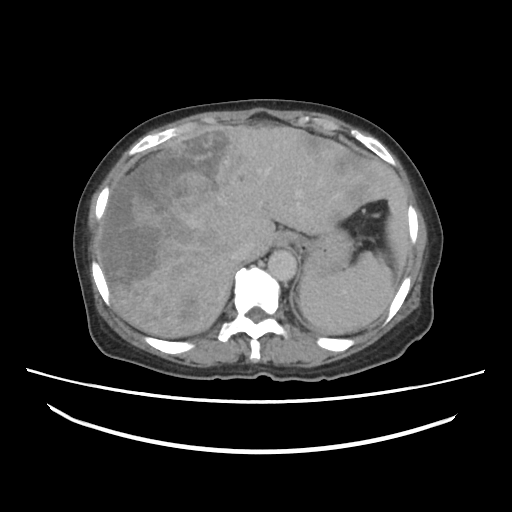

Computed tomography, abdomen. axial view
{"organs":{"inferior vena cava":[232,242,248,260],"spleen":[299,252,395,333],"stomach":[291,227,351,276],"aorta":[268,250,296,281],"esophagus":[276,232,291,246],"liver":[95,126,408,337]}}